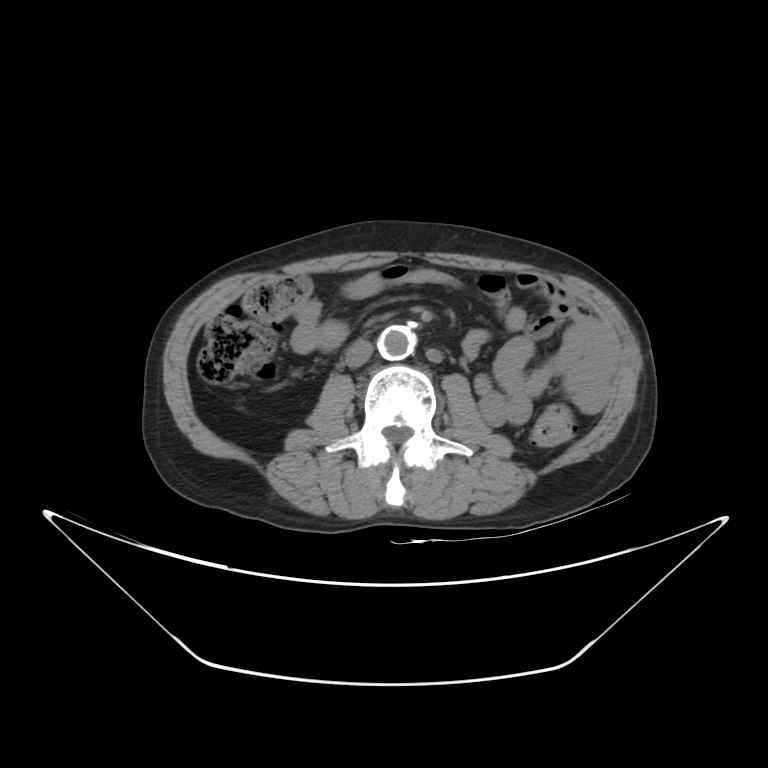

CT abdomen; axial plane, index 56; soft-tissue window; 14 organs annotated in this scan (that count is for the whole scan; organs this slice misses have no box)
<organs><organ name="inferior vena cava" x1="345" y1="340" x2="372" y2="367"/><organ name="aorta" x1="377" y1="325" x2="415" y2="359"/></organs>